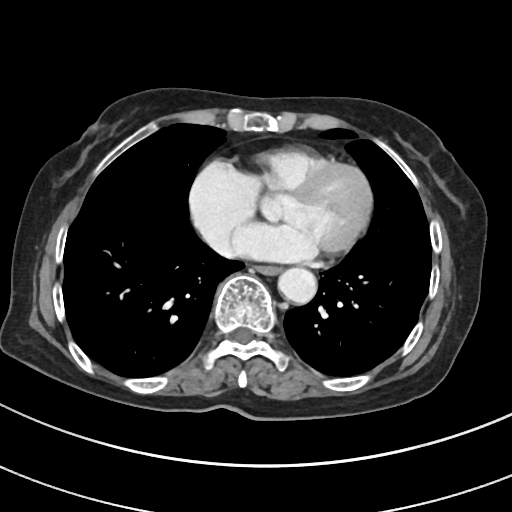

Abdominal CT; this slice is in the lower chest, just above the liver — axial view — soft-tissue window, W/L 400/40 — 512x512 px — scan has 15 labeled organs (counted over the whole 3D scan, not this slice; an organ is boxed only where this slice passes through it)
The heart and lungs are never labeled in this dataset, so they have no box on this slice.
Each box given as x1,y1,x2,y2.
esophagus: x1=257, y1=266, x2=280, y2=275
aorta: x1=278, y1=268, x2=317, y2=304